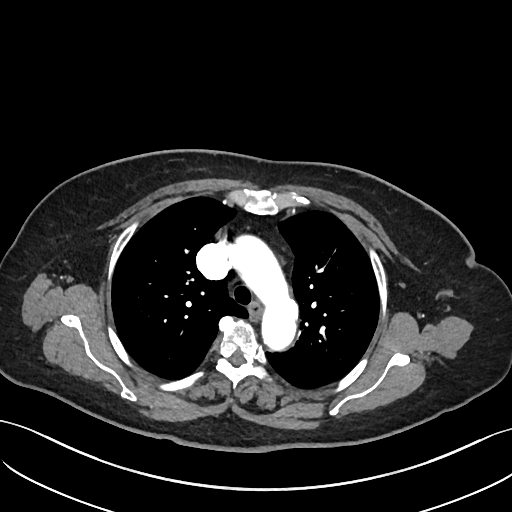
Chest-level slice from an abdominal CT that extends up into the chest · axial view · 512x512 px
At this level of the chest this dataset labels only the esophagus and the aorta, and each is boxed only where it is labeled; the heart and lungs are never labeled. Coordinates as <box>x1,y1,x2,y2</box> in pixels. The annotated organs in this slice are: esophagus at <box>249,303,262,320</box>, aorta at <box>229,233,297,352</box>.